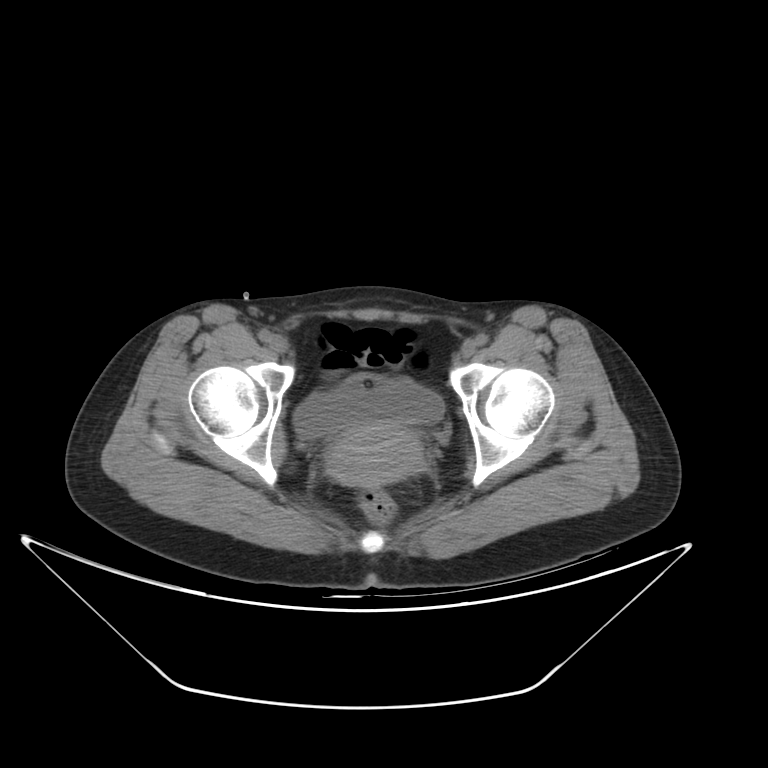 CT abdomen; axial view; 768x768 px; scan has 15 labeled organs (a whole-scan count: organs this slice does not pass through have no box)
<organs><organ name="prostate/uterus" x1="326" y1="422" x2="422" y2="486"/><organ name="bladder" x1="293" y1="373" x2="445" y2="438"/></organs>